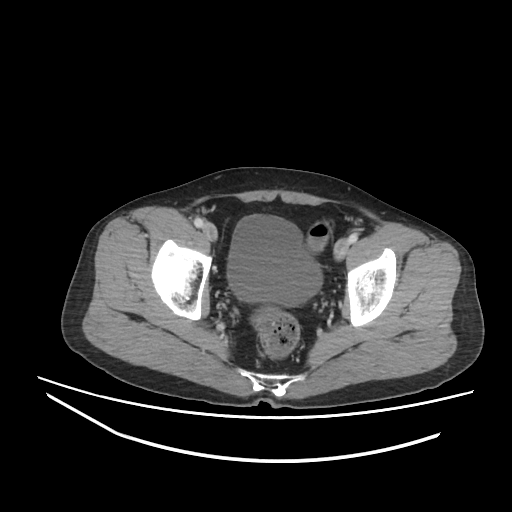

Abdominal CT · axial view · soft-tissue window · 512x512 px · 54-year-old male patient · Aquilion ONE scanner
Organ boxes in pixel coordinates; each row gives the top-left (x1, y1) and bottom-right (x2, y2) corners.
| organ | x1 | y1 | x2 | y2 |
|---|---|---|---|---|
| bladder | 227 | 215 | 322 | 306 |